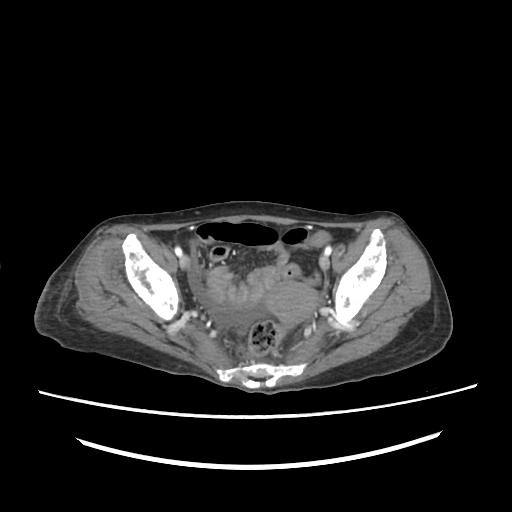
Computed tomography, abdomen · axial view · soft-tissue window · 48-year-old female patient · acquired on Aquilion ONE
Boxes are (x1, y1, x2, y2) in pixels.
prostate/uterus: (266, 281, 318, 323)